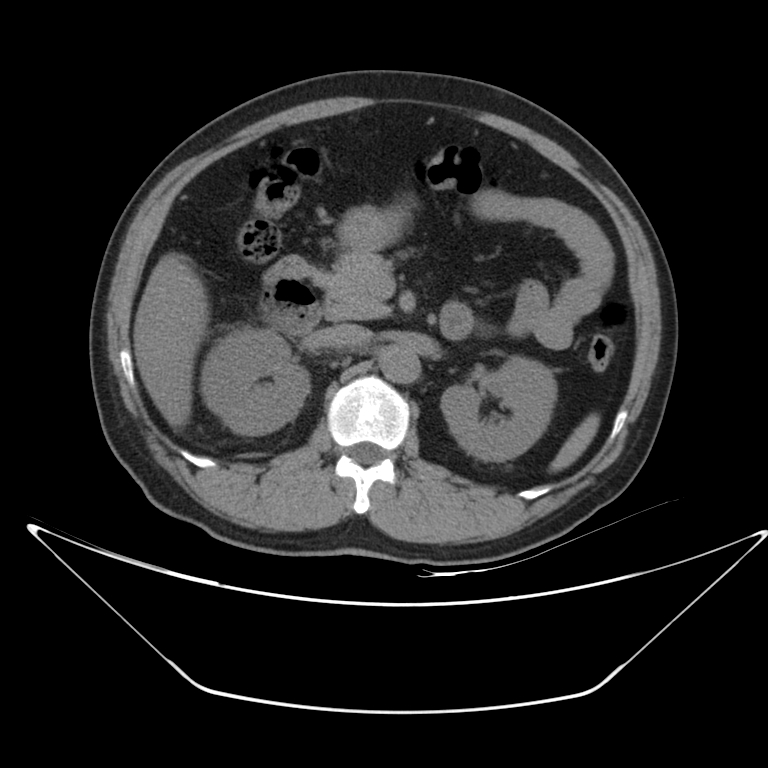
CT abdomen. axial view. 45-year-old male patient
Each box given as x1,y1,x2,y2.
Organ bounding boxes:
- spleen: x1=550, y1=413, x2=599, y2=472
- right kidney: x1=200, y1=326, x2=309, y2=434
- left kidney: x1=441, y1=358, x2=557, y2=461
- liver: x1=132, y1=252, x2=208, y2=428
- stomach: x1=338, y1=199, x2=411, y2=249
- aorta: x1=380, y1=345, x2=419, y2=383
- inferior vena cava: x1=323, y1=324, x2=372, y2=348
- pancreas: x1=312, y1=249, x2=391, y2=319
- duodenum: x1=263, y1=256, x2=472, y2=336